Lower-chest slice from an abdominal CT, just above the liver and spleen; axial view; soft-tissue window (W 400 / L 40); 512x512 px; scan has 15 labeled organs (counted over the whole 3D scan, not this slice; an organ is boxed only where this slice passes through it)
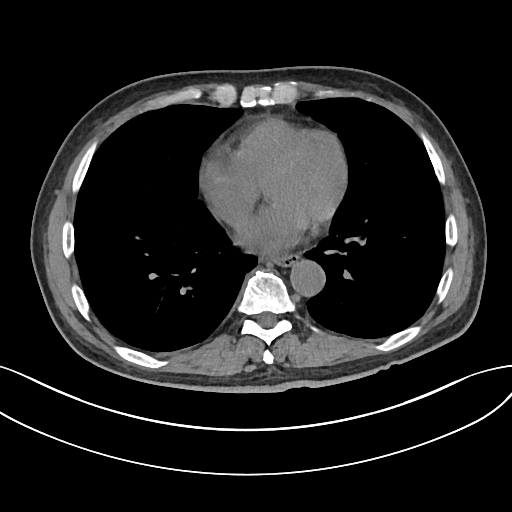
Of the structures in the chest, this dataset labels only the esophagus, the aorta and the inferior vena cava; the heart and lungs have no label.
{"organs":{"esophagus":[269,254,298,265],"aorta":[289,259,324,295]}}